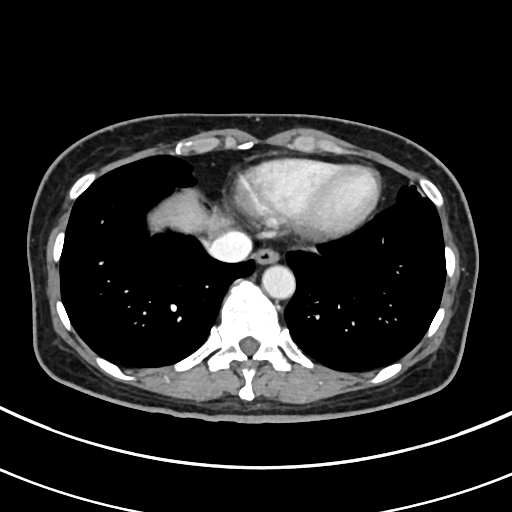
CT abdomen. axial view. soft-tissue window
Coordinates as <box>x1,y1,x2,y2</box> in pixels.
Organ bounding boxes:
- esophagus: <box>253,250,279,263</box>
- liver: <box>149,193,223,231</box>
- aorta: <box>261,264,294,298</box>
- inferior vena cava: <box>207,232,251,262</box>